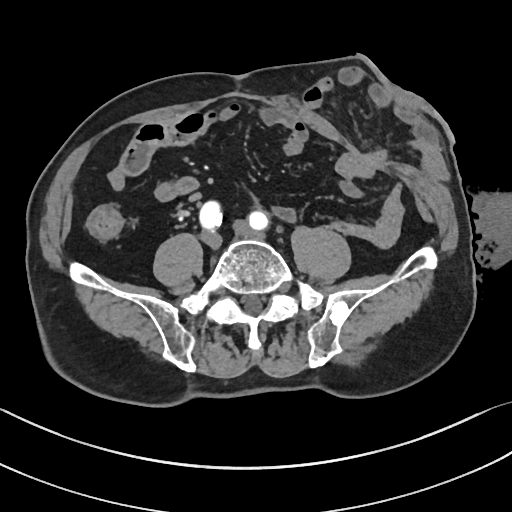
CT, abdomen/pelvis. axial view. 512x512 px. 15 organs annotated in this scan (a whole-scan count: organs this slice does not pass through have no box)
Box edges are left/top/right/bottom in pixels.
aorta: left=249, top=211, right=267, bottom=229